CT of the abdomen extending into the chest, slice through the chest — axial view
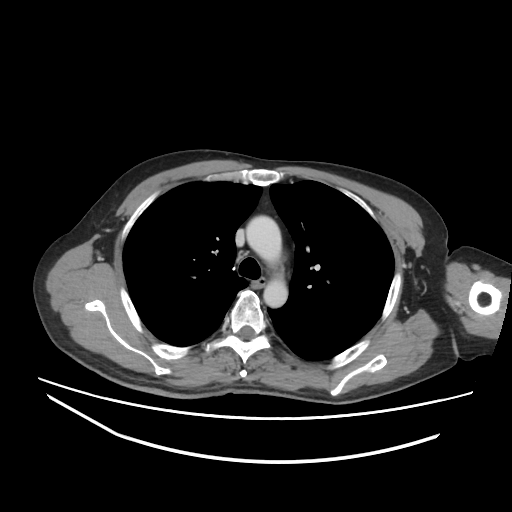

At this level of the chest this dataset labels only the esophagus and the aorta, and each is boxed only where it is labeled; the heart and lungs are never labeled.
Boxes are (x1, y1, x2, y2) in pixels.
Organ bounding boxes:
- esophagus: (251, 277, 265, 288)
- aorta: (246, 215, 282, 265)
- aorta: (263, 275, 287, 307)